Abdominal CT · Axial slice 35/297 · acquired on SOMATOM Force
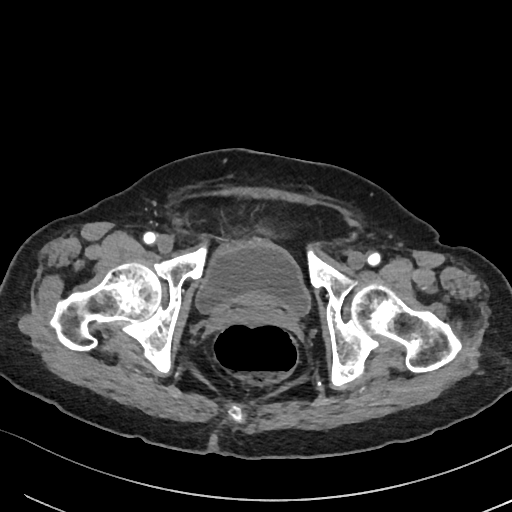

Boxes: x1 y1 x2 y2 (pixel coords, space-separated). 1 labeled organ on this slice — bladder at 196 239 310 315.